CT abdomen; Axial slice 71/90; soft-tissue window
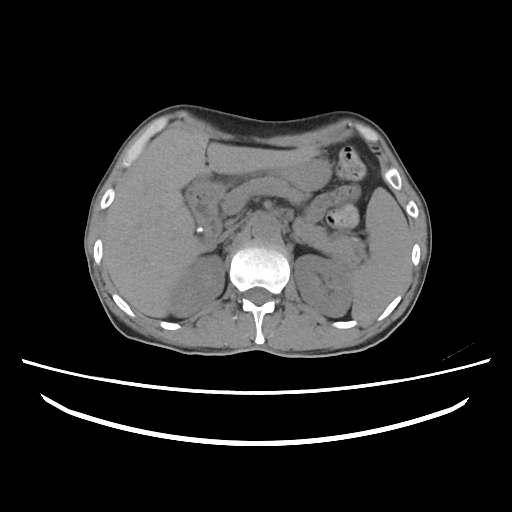

<organs><organ name="spleen" x1="352" y1="187" x2="413" y2="320"/><organ name="right kidney" x1="167" y1="257" x2="222" y2="315"/><organ name="left kidney" x1="293" y1="254" x2="352" y2="318"/><organ name="gall bladder" x1="197" y1="224" x2="201" y2="233"/><organ name="liver" x1="104" y1="126" x2="322" y2="318"/><organ name="stomach" x1="187" y1="159" x2="330" y2="198"/><organ name="aorta" x1="251" y1="214" x2="278" y2="240"/><organ name="inferior vena cava" x1="218" y1="220" x2="246" y2="242"/><organ name="pancreas" x1="220" y1="176" x2="363" y2="262"/><organ name="left adrenal gland" x1="292" y1="233" x2="303" y2="244"/><organ name="duodenum" x1="186" y1="193" x2="221" y2="252"/></organs>